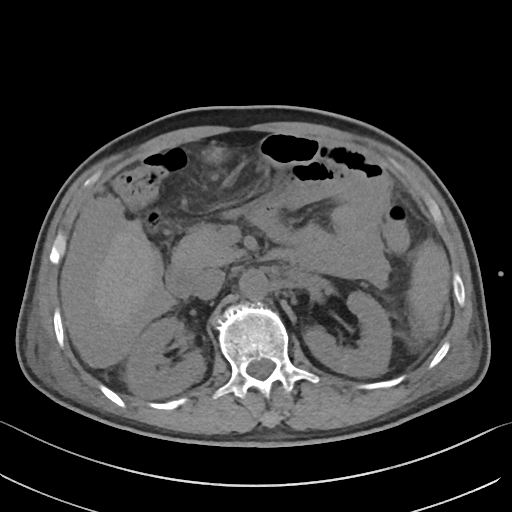

Computed tomography, abdomen — axial plane, index 60 — 15 organs annotated in this scan (a whole-scan count: organs this slice does not pass through have no box)
{"organs":{"spleen":[407,240,449,338],"right kidney":[126,317,205,398],"left kidney":[304,291,391,377],"liver":[76,202,153,367],"aorta":[239,269,268,299],"inferior vena cava":[193,268,225,299],"pancreas":[172,225,243,267],"duodenum":[165,264,201,298]}}